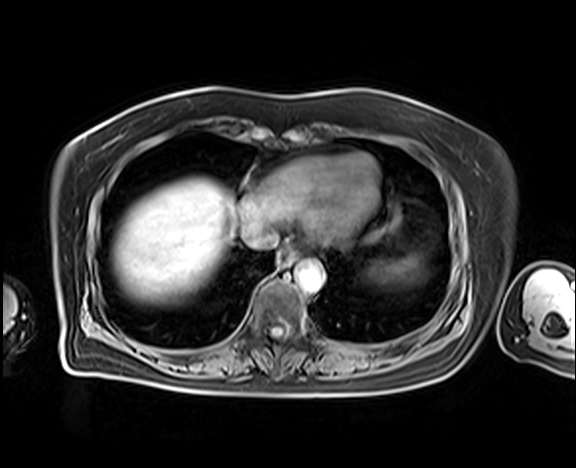

MRI, abdomen; axial view; percentile-normalized; 576x468 px; 12 organs annotated in this scan (counted over the whole 3D scan, not this slice; an organ is boxed only where this slice passes through it)
Bounding boxes as [x1, y1, x2, y2] in pixel coordinates.
spleen: [381, 260, 415, 278]
liver: [113, 178, 246, 299]
aorta: [295, 260, 324, 292]
inferior vena cava: [241, 219, 278, 249]
esophagus: [279, 250, 296, 266]